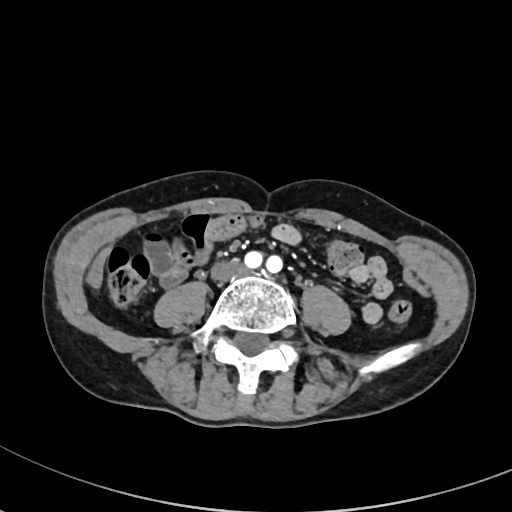
Computed tomography, abdomen — axial view — soft-tissue window (W 400 / L 40) — 512x512 px
Coordinates as <box>x1,y1,x2,y2</box> in pixels. Labeled organs on this slice: inferior vena cava at <box>211,260,244,281</box>.